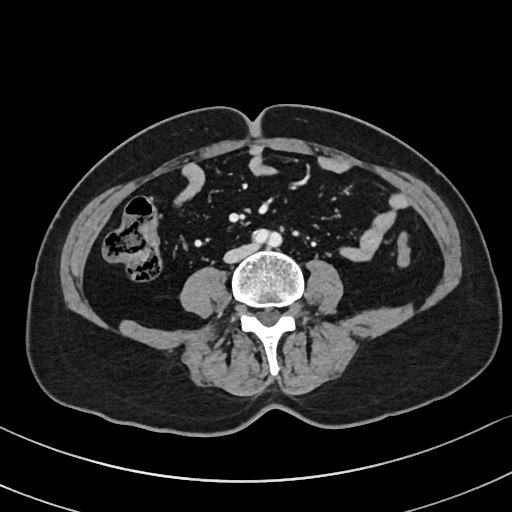

Abdominal CT — axial view — soft-tissue window
Box edges are left/top/right/bottom in pixels. The annotated organs in this slice are: inferior vena cava at left=224, top=247, right=250, bottom=262.